CT, abdomen/pelvis — axial view
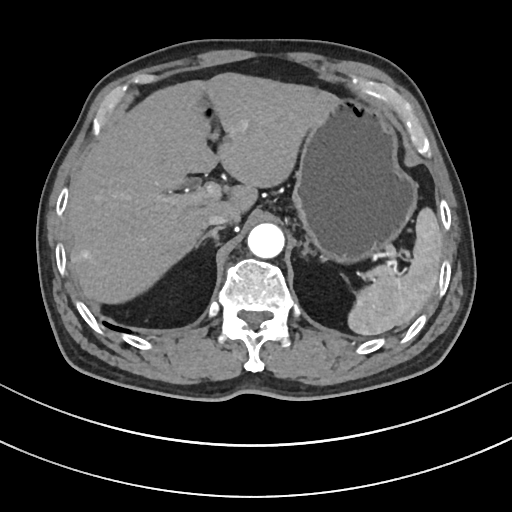 <organs><organ name="spleen" x1="348" y1="205" x2="442" y2="335"/><organ name="liver" x1="66" y1="71" x2="333" y2="301"/><organ name="stomach" x1="293" y1="96" x2="416" y2="259"/><organ name="aorta" x1="247" y1="223" x2="284" y2="257"/><organ name="inferior vena cava" x1="203" y1="216" x2="228" y2="227"/><organ name="pancreas" x1="367" y1="264" x2="391" y2="276"/><organ name="right adrenal gland" x1="196" y1="227" x2="221" y2="245"/><organ name="left adrenal gland" x1="302" y1="235" x2="317" y2="254"/></organs>